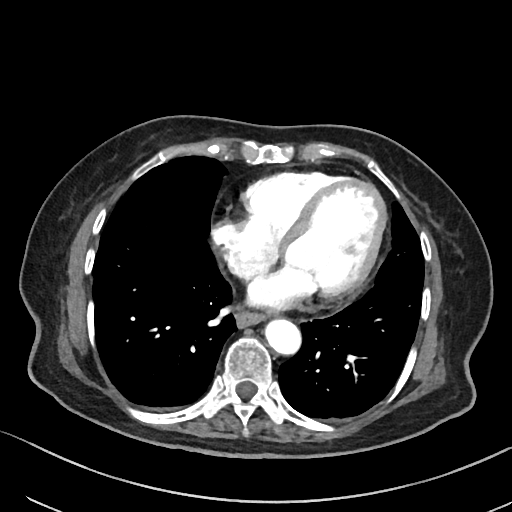 Lower-chest slice from an abdominal CT, just above the liver and spleen — axial view — SOMATOM Force scanner — scan has 15 labeled organs (a whole-scan count: organs this slice does not pass through have no box)
Of the structures in the chest, this dataset labels only the esophagus, the aorta and the inferior vena cava; the heart and lungs have no label.
Boxes: x1 y1 x2 y2 (pixel coords, space-separated).
Organ bounding boxes:
- esophagus: 236 313 265 328
- aorta: 263 318 301 353
- inferior vena cava: 227 254 243 274